CT abdomen; axial plane, index 41; abdomen soft-tissue window; Aquilion ONE scanner; 14 organs annotated in this scan (that count is for the whole scan; organs this slice misses have no box)
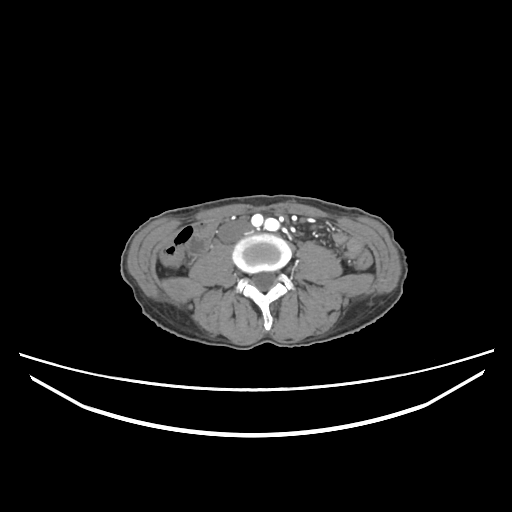 Box edges are left/top/right/bottom in pixels. Labeled organs on this slice: inferior vena cava at left=219, top=218, right=250, bottom=242.